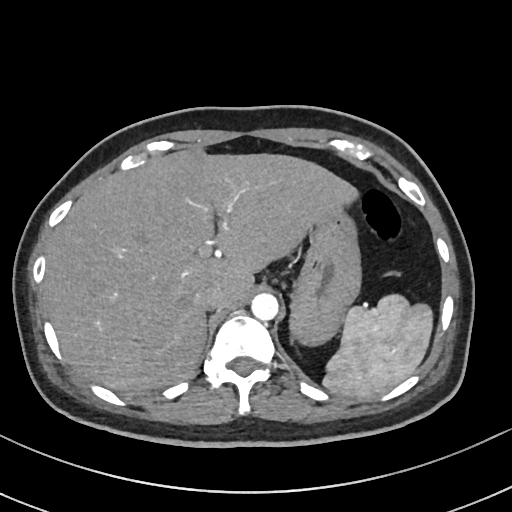

Computed tomography, abdomen. axial view. 512x512 px. 15 organs annotated in this scan (that count is for the whole scan; organs this slice misses have no box)
Boxes: x1 y1 x2 y2 (pixel coords, space-separated). Labeled organs on this slice: spleen at 323 294 432 399, liver at 43 148 358 395, stomach at 289 208 361 345, aorta at 251 293 278 320, inferior vena cava at 194 285 223 310.